Abdominal CT reaching into the chest; this slice is in the chest; axial plane, index 250; 512x512 px; 15 organs annotated in this scan (that count is for the whole scan; organs this slice misses have no box)
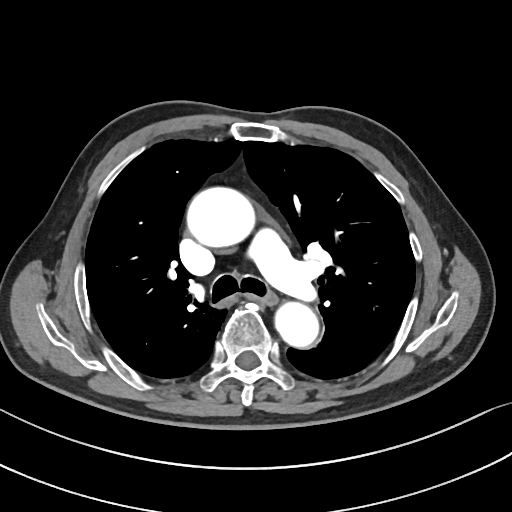 At this level of the chest this dataset labels only the esophagus and the aorta, and each is boxed only where it is labeled; the heart and lungs are never labeled.
Box edges are left/top/right/bottom in pixels.
Organ bounding boxes:
- esophagus: left=260, top=293, right=279, bottom=306
- aorta: left=186, top=187, right=253, bottom=247
- aorta: left=276, top=303, right=319, bottom=348